Chest-level CT slice, above the liver and spleen; Axial slice 100/134; soft-tissue window (W 400 / L 40); 65-year-old male patient; 15 organs annotated in this scan (that count is for the whole scan; organs this slice misses have no box)
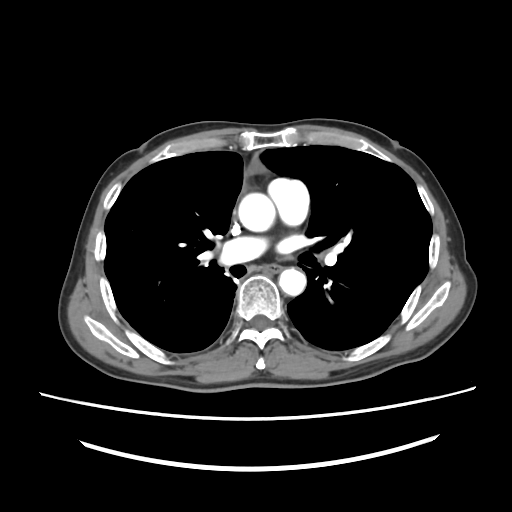

At this level of the chest no structure but the esophagus and the aorta has a label in this dataset, and those two are boxed only where they are labeled.
Bounding boxes in pixels, one row per box: x1, y1 is the top-left corner and x2, y2 the bottom-right.
| organ | x1 | y1 | x2 | y2 |
|---|---|---|---|---|
| esophagus | 267 | 265 | 280 | 274 |
| aorta | 238 | 193 | 275 | 231 |
| aorta | 279 | 268 | 306 | 295 |